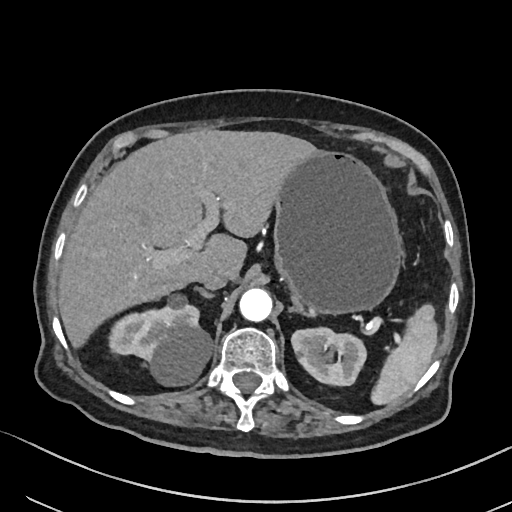
CT, abdomen/pelvis. axial view
Coordinates as <box>x1,y1,x2,y2</box> in pixels.
spleen: <box>371,304,437,405</box>
right kidney: <box>108,295,211,385</box>
left kidney: <box>291,327,366,385</box>
liver: <box>58,130,317,348</box>
stomach: <box>274,150,403,314</box>
aorta: <box>239,288,272,321</box>
inferior vena cava: <box>200,269,231,289</box>
right adrenal gland: <box>196,287,214,299</box>
left adrenal gland: <box>288,300,316,316</box>